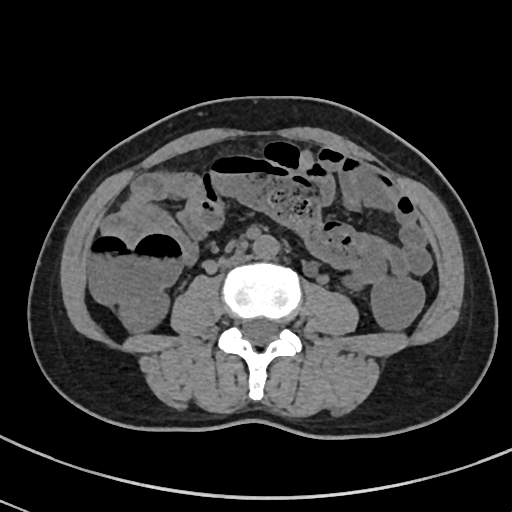

Computed tomography, abdomen · axial view · W/L 400/40 HU
Bounding boxes in pixels, one row per box: x1, y1 is the top-left corner and x2, y2 the bottom-right.
| organ | x1 | y1 | x2 | y2 |
|---|---|---|---|---|
| aorta | 252 | 235 | 279 | 259 |
| inferior vena cava | 224 | 255 | 251 | 265 |